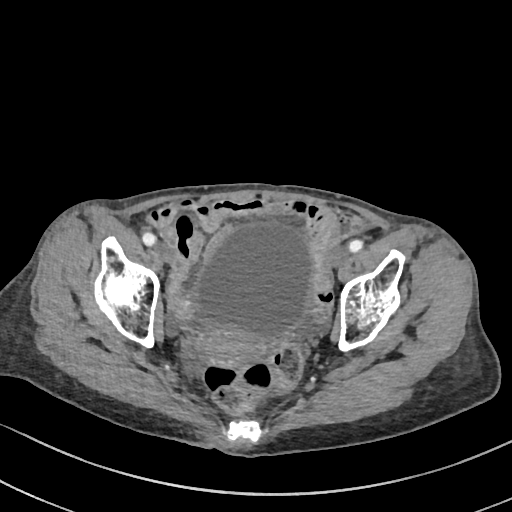 CT abdomen — axial view — abdomen soft-tissue window — 512x512 px — 15 organs annotated in this scan (that count is for the whole scan; organs this slice misses have no box)
Box edges are left/top/right/bottom in pixels.
bladder: left=195, top=224, right=314, bottom=339
prostate/uterus: left=199, top=327, right=258, bottom=367